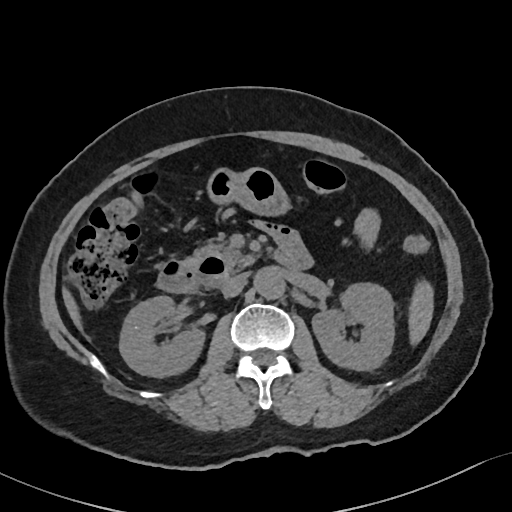 CT abdomen · axial view · abdomen soft-tissue window · acquired on SOMATOM Force
{"organs":{"right kidney":[119,296,204,377],"liver":[63,290,82,330],"duodenum":[157,230,311,292],"stomach":[207,168,290,215],"aorta":[254,268,284,299],"inferior vena cava":[221,273,246,297],"pancreas":[187,241,258,270],"spleen":[408,279,434,345],"left kidney":[312,283,394,370]}}